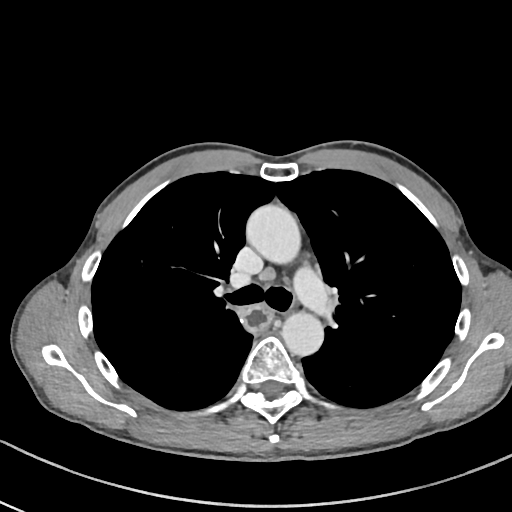
CT of the abdomen extending into the chest, slice through the chest. axial view
At this level of the chest this dataset labels only the esophagus and the aorta, and each is boxed only where it is labeled; the heart and lungs are never labeled.
Each box given as x1,y1,x2,y2.
esophagus: x1=238, y1=305, x2=272, y2=332
aorta: x1=245, y1=203, x2=299, y2=261
aorta: x1=282, y1=313, x2=324, y2=356